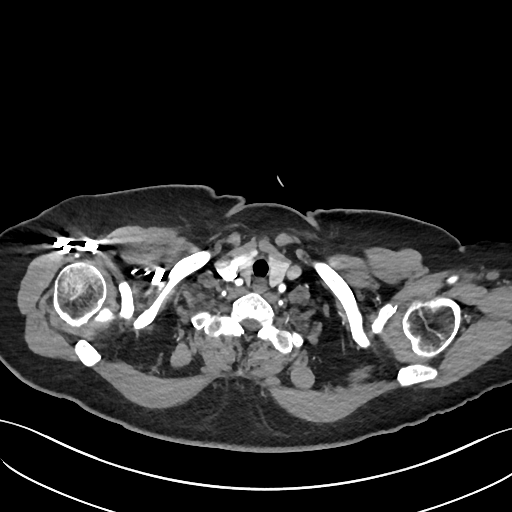
Chest-level slice from an abdominal CT that extends up into the chest. axial view. 512x512 px. SOMATOM Force scanner. scan has 15 labeled organs (counted over the whole 3D scan, not this slice; an organ is boxed only where this slice passes through it)
At this level of the chest this dataset labels only the esophagus and the aorta, and each is boxed only where it is labeled; the heart and lungs are never labeled. Bounding boxes as [x1, y1, x2, y2] in pixel coordinates. Labeled organs on this slice: esophagus at [252, 281, 266, 293].